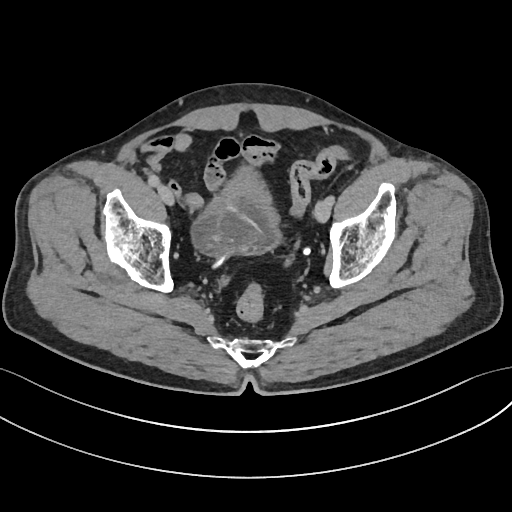

Computed tomography, abdomen; axial view; soft-tissue window; 512x512 px
<organs><organ name="bladder" x1="191" y1="167" x2="279" y2="255"/></organs>